CT abdomen — axial plane, index 34 — soft-tissue window — 512x512 px — scan has 15 labeled organs (counted over the whole 3D scan, not this slice; an organ is boxed only where this slice passes through it)
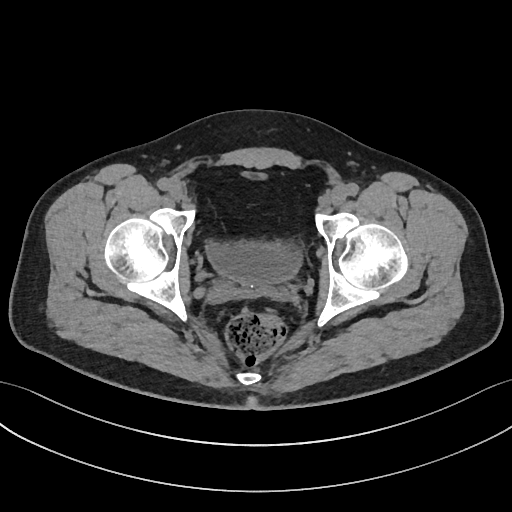 Each box given as x1,y1,x2,y2.
Organ bounding boxes:
- bladder: x1=205, y1=243, x2=302, y2=283